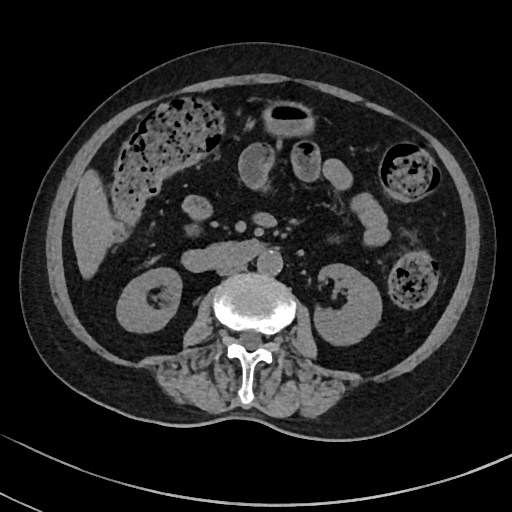 CT abdomen; axial view; 512x512 px
{"organs":{"right kidney":[116,267,181,332],"left kidney":[314,263,381,345],"liver":[72,169,119,278],"stomach":[264,102,311,135],"aorta":[257,250,282,275],"inferior vena cava":[217,263,244,275],"duodenum":[181,239,266,271]}}